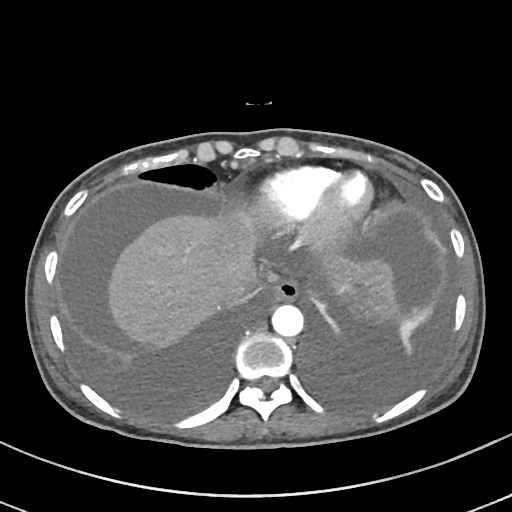

Computed tomography, abdomen · axial plane, index 205 · 15 organs annotated in this scan (that count is for the whole scan; organs this slice misses have no box)
<organs><organ name="esophagus" x1="270" y1="279" x2="299" y2="301"/><organ name="liver" x1="107" y1="209" x2="394" y2="348"/><organ name="aorta" x1="272" y1="304" x2="303" y2="336"/><organ name="inferior vena cava" x1="225" y1="269" x2="258" y2="304"/></organs>